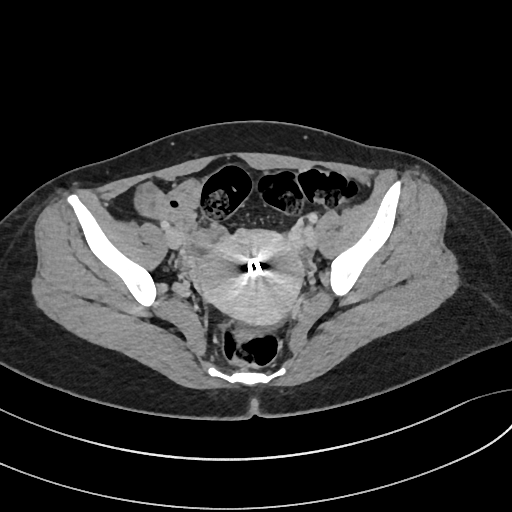
Abdominal CT; axial plane, index 59; abdomen soft-tissue window; 512x512 px
Boxes are (x1, y1, x2, y2) in pixels.
prostate/uterus: (195, 228, 304, 324)